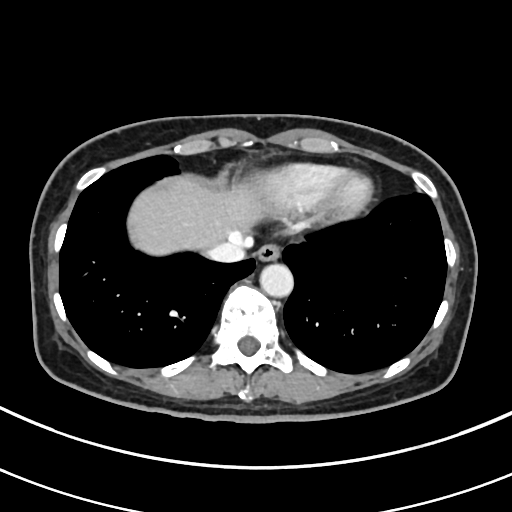 Computed tomography, abdomen. Axial slice 182/192
<organs><organ name="esophagus" x1="256" y1="244" x2="280" y2="261"/><organ name="liver" x1="128" y1="177" x2="266" y2="255"/><organ name="aorta" x1="259" y1="262" x2="293" y2="296"/><organ name="inferior vena cava" x1="206" y1="240" x2="243" y2="263"/></organs>